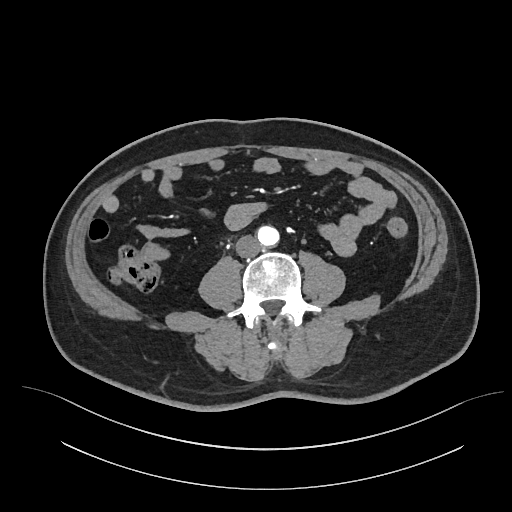
CT, abdomen/pelvis — axial view
Boxes: x1:y1:x2:y2 in pixels. The annotated organs in this slice are: aorta at 257:226:279:246, inferior vena cava at 236:235:260:257.